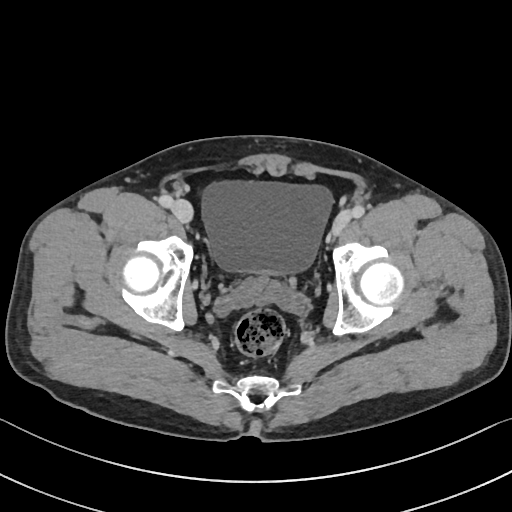 CT abdomen; axial plane, index 29; 512x512 px; SOMATOM Force scanner
Boxes: x1 y1 x2 y2 (pixel coords, space-separated).
Organ bounding boxes:
- bladder: 202 183 331 273